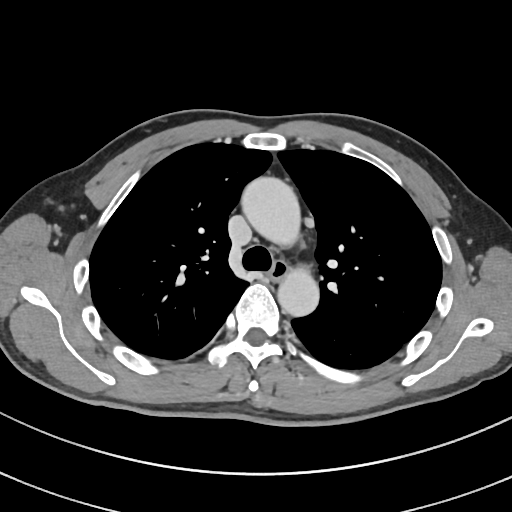

Abdominal CT reaching into the chest; this slice is in the chest — axial view
On a slice this high in the chest, this dataset labels only the esophagus and the aorta, and each is boxed only where it is labeled; the heart, lungs and other chest structures are not labeled. Boxes: x1:y1:x2:y2 in pixels. 2 labeled organs on this slice — esophagus at 268:261:289:280; aorta at 241:177:300:246; aorta at 277:266:319:316.